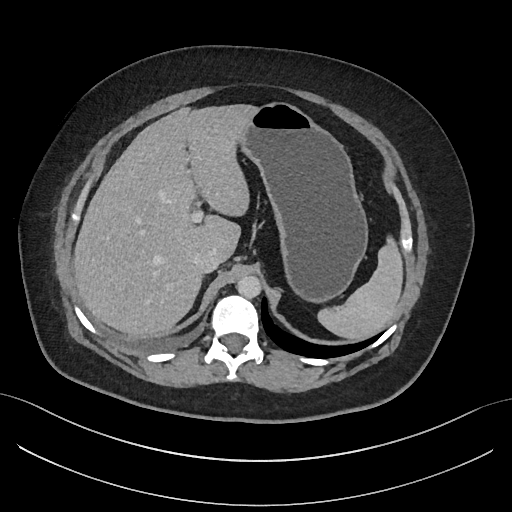
CT abdomen. axial view. soft-tissue window. 512x512 px
<organs><organ name="aorta" x1="237" y1="275" x2="261" y2="298"/><organ name="inferior vena cava" x1="194" y1="247" x2="221" y2="274"/><organ name="stomach" x1="237" y1="101" x2="367" y2="300"/><organ name="spleen" x1="317" y1="236" x2="403" y2="340"/><organ name="liver" x1="72" y1="104" x2="255" y2="336"/></organs>